Abdominal CT; axial plane, index 131; soft-tissue window; 512x512 px; acquired on SOMATOM Force; scan has 15 labeled organs (that count is for the whole scan; organs this slice misses have no box)
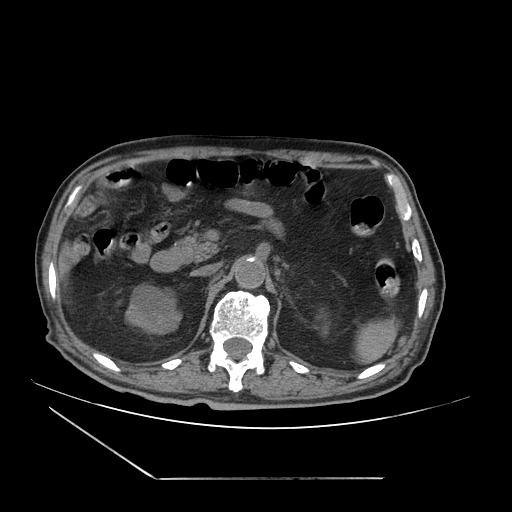
Boxes: x1 y1 x2 y2 (pixel coords, space-separated).
Organ bounding boxes:
- spleen: 356 319 397 365
- right kidney: 126 286 179 332
- pancreas: 172 232 219 262
- duodenum: 150 251 180 272
- aorta: 234 257 265 289
- inferior vena cava: 191 264 219 276